Abdominal CT — Axial slice 21/104
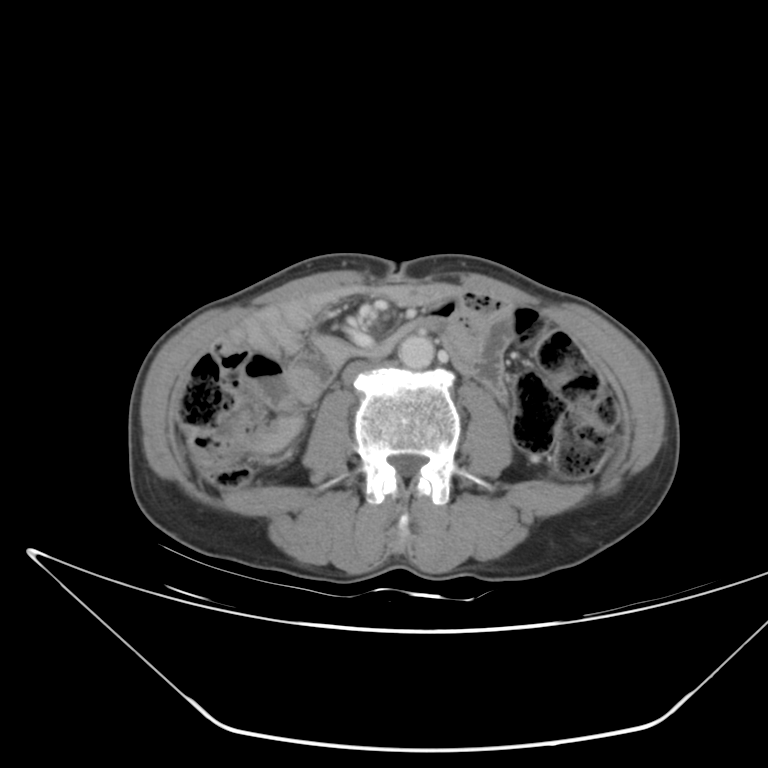

Box edges are left/top/right/bottom in pixels.
Organ bounding boxes:
- aorta: left=398, top=335, right=435, bottom=369
- inferior vena cava: left=339, top=359, right=402, bottom=385